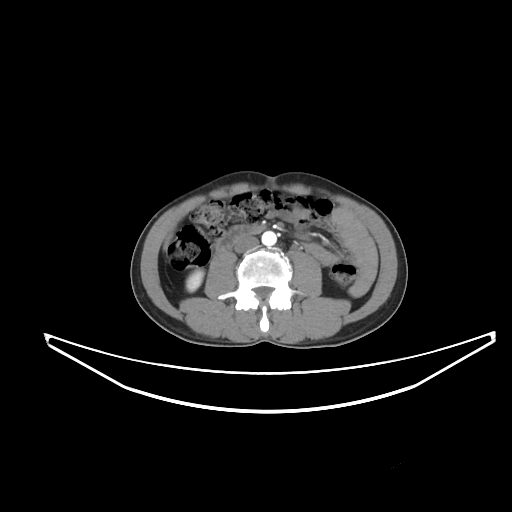 Computed tomography, abdomen — Axial slice 50/134 — soft-tissue window
<organs><organ name="right kidney" x1="186" y1="269" x2="203" y2="291"/><organ name="liver" x1="164" y1="234" x2="171" y2="249"/><organ name="aorta" x1="261" y1="231" x2="276" y2="245"/><organ name="inferior vena cava" x1="234" y1="235" x2="258" y2="252"/><organ name="duodenum" x1="216" y1="225" x2="267" y2="251"/></organs>